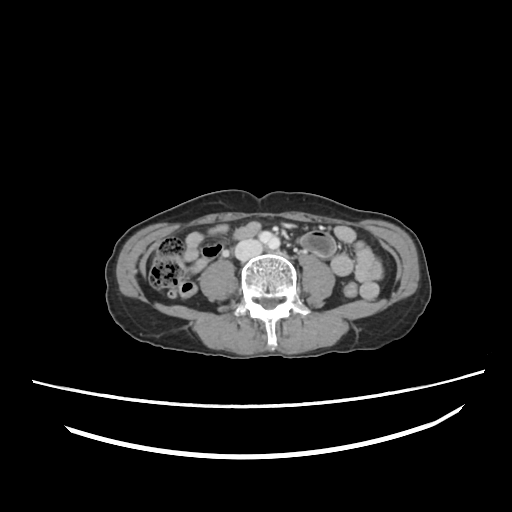

CT abdomen — axial view — 512x512 px
Boxes: x1 y1 x2 y2 (pixel coords, space-separated).
inferior vena cava: 236 238 262 258